Abdominal CT · Axial slice 43/235
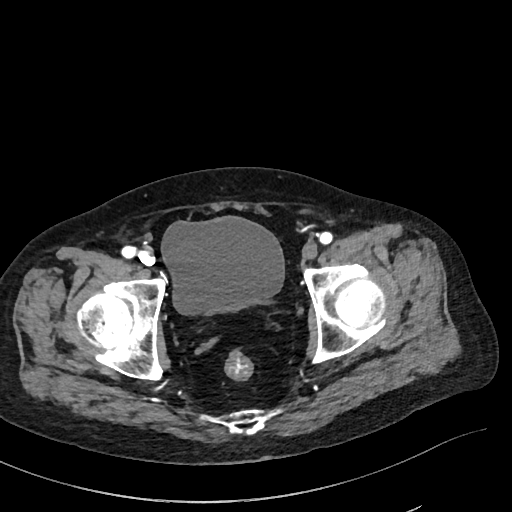
Boxes are (x1, y1, x2, y2) in pixels.
Organ bounding boxes:
- bladder: (161, 216, 283, 314)